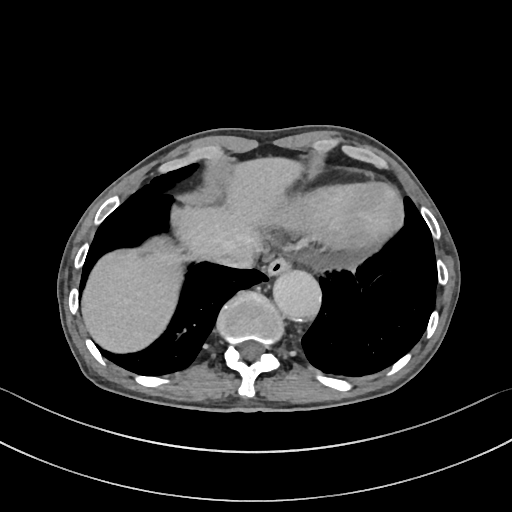

Computed tomography, abdomen; axial view; 512x512 px
<organs><organ name="esophagus" x1="265" y1="256" x2="291" y2="276"/><organ name="liver" x1="81" y1="157" x2="302" y2="352"/><organ name="inferior vena cava" x1="212" y1="243" x2="258" y2="268"/><organ name="aorta" x1="273" y1="270" x2="321" y2="321"/></organs>